Magnetic resonance imaging, abdomen. Axial slice 4/72. percentile-normalized. Prisma scanner. scan has 13 labeled organs (counted over the whole 3D scan, not this slice; an organ is boxed only where this slice passes through it)
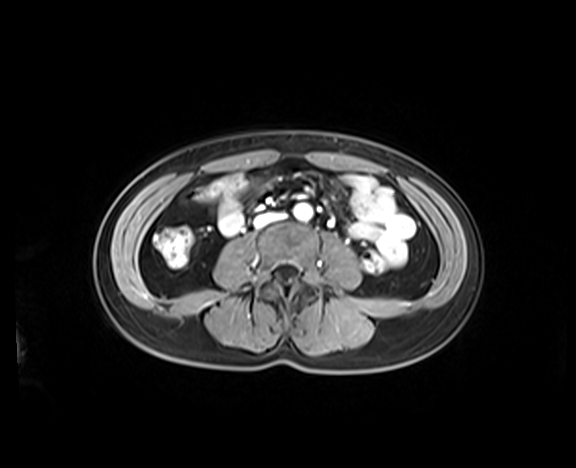
Box edges are left/top/right/bottom in pixels.
aorta: left=294, top=203, right=311, bottom=220
inferior vena cava: left=254, top=213, right=282, bottom=226